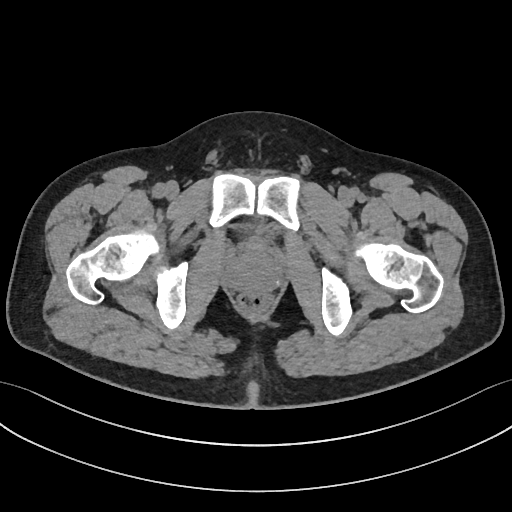 Computed tomography, abdomen — axial plane, index 20 — soft-tissue window (W 400 / L 40)
Boxes are (x1, y1, x2, y2) in pixels.
Organ bounding boxes:
- bladder: (252, 226, 272, 242)
- prostate/uterus: (228, 245, 281, 291)